Abdominal CT · axial view · 768x768 px · Brilliance16 scanner
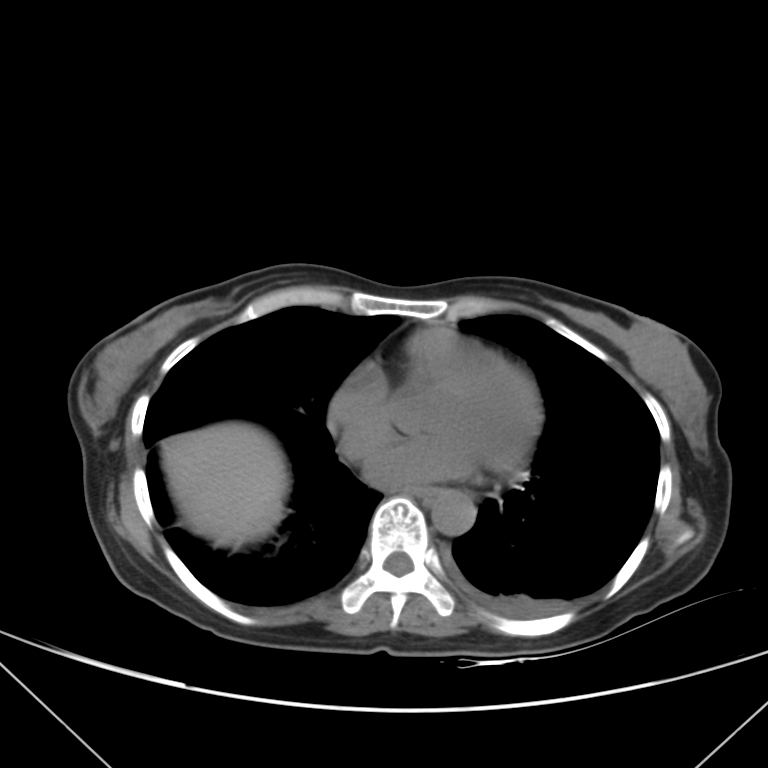

{"organs":{"aorta":[431,491,474,535],"liver":[161,423,288,545],"esophagus":[403,486,446,501]}}